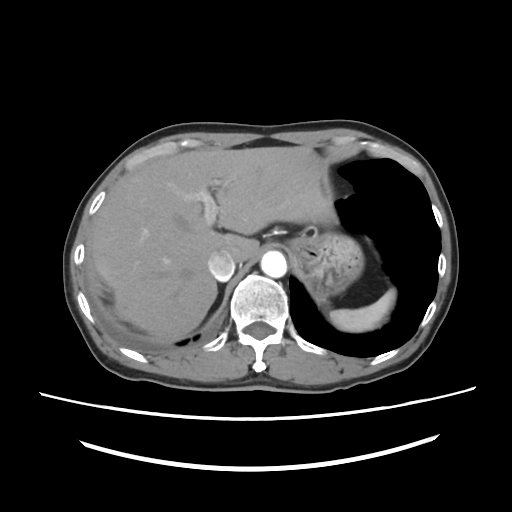

Abdominal CT — Axial slice 76/134 — soft-tissue window — 512x512 px — 65-year-old male patient — scan has 15 labeled organs (that count is for the whole scan; organs this slice misses have no box)
<organs><organ name="spleen" x1="330" y1="289" x2="395" y2="332"/><organ name="liver" x1="92" y1="146" x2="330" y2="338"/><organ name="stomach" x1="289" y1="232" x2="363" y2="298"/><organ name="aorta" x1="260" y1="251" x2="286" y2="277"/><organ name="inferior vena cava" x1="207" y1="251" x2="235" y2="280"/></organs>